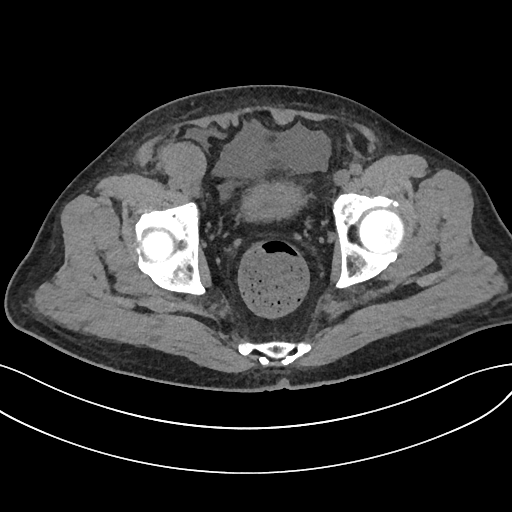

CT, abdomen/pelvis. axial view. scan has 15 labeled organs (that count is for the whole scan; organs this slice misses have no box)
{"organs":{"bladder":[243,183,302,219]}}